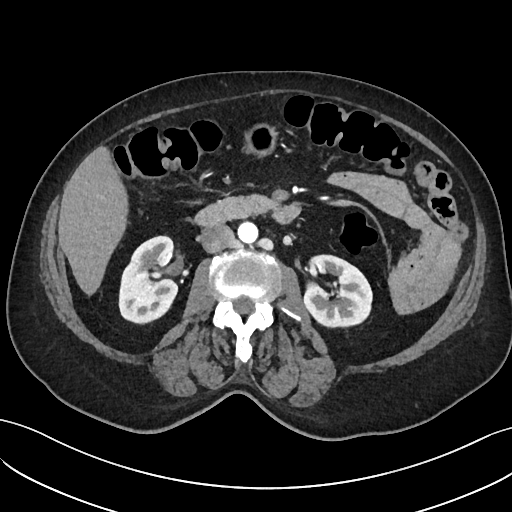
CT, abdomen/pelvis — axial view — abdomen soft-tissue window — 15 organs annotated in this scan (counted over the whole 3D scan, not this slice; an organ is boxed only where this slice passes through it)
Bounding boxes as [x1, y1, x2, y2] in pixel coordinates.
right kidney: [119, 236, 177, 324]
left kidney: [303, 254, 372, 328]
liver: [58, 145, 127, 296]
stomach: [243, 124, 277, 153]
aorta: [238, 223, 258, 244]
inferior vena cava: [200, 225, 234, 253]
pancreas: [205, 194, 278, 219]
duodenum: [194, 207, 300, 227]